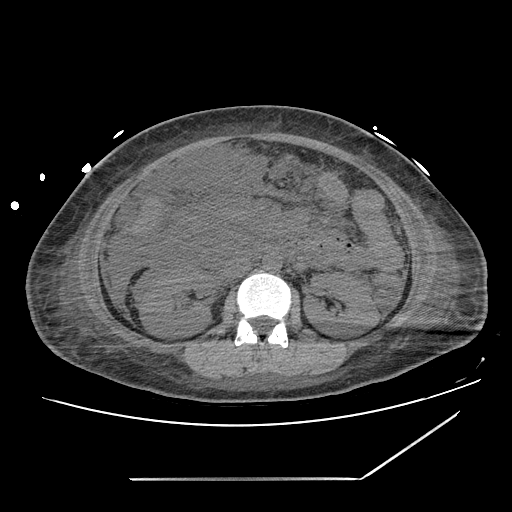 Computed tomography, abdomen. Axial slice 108/191. 512x512 px
Bounding boxes as [x1, y1, x2, y2] in pixel coordinates.
Organ bounding boxes:
- right kidney: [139, 268, 212, 338]
- left kidney: [304, 273, 380, 336]
- aorta: [262, 253, 281, 272]
- inferior vena cava: [222, 258, 251, 279]